CT abdomen; axial view; W/L 400/40 HU; 512x512 px; acquired on SOMATOM Force; scan has 15 labeled organs (that count is for the whole scan; organs this slice misses have no box)
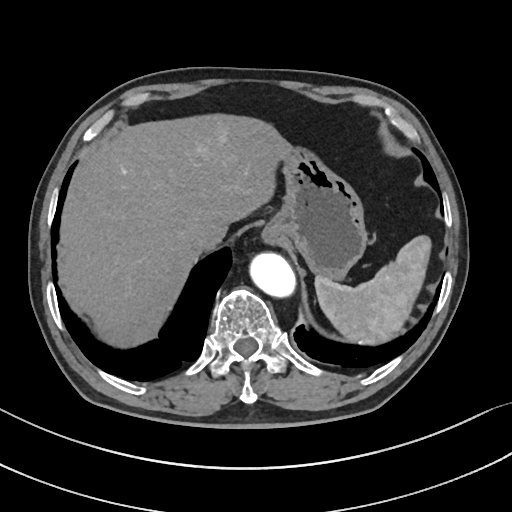
Each box given as x1,y1,x2,y2.
Organ bounding boxes:
- spleen: x1=314, y1=234, x2=432, y2=346
- liver: x1=58, y1=112, x2=290, y2=347
- stomach: x1=264, y1=146, x2=367, y2=279
- aorta: x1=248, y1=251, x2=293, y2=295
- inferior vena cava: x1=184, y1=232, x2=209, y2=254